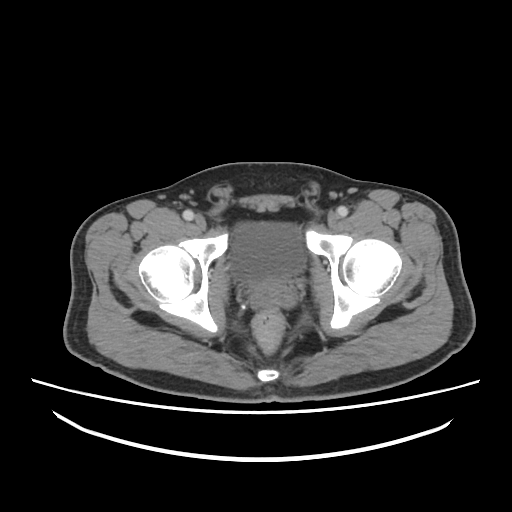

CT, abdomen/pelvis; axial view; Aquilion ONE scanner
Organ boxes in pixel coordinates; each row gives the top-left (x1, y1) and bottom-right (x2, y2) corners.
| organ | x1 | y1 | x2 | y2 |
|---|---|---|---|---|
| bladder | 231 | 222 | 305 | 284 |
| prostate/uterus | 254 | 280 | 288 | 294 |